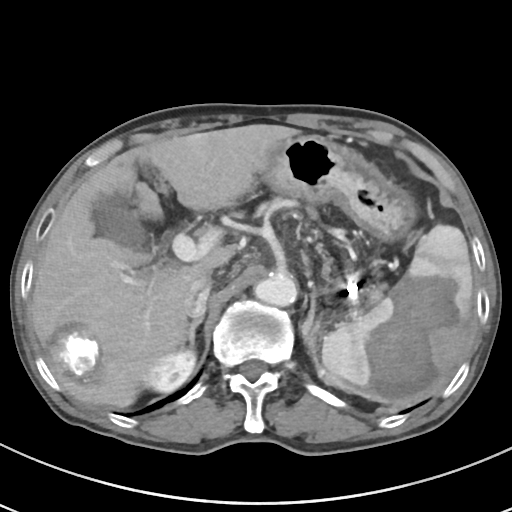

CT, abdomen/pelvis. axial view
Boxes: x1:y1:x2:y2 in pixels.
spleen: 321:224:474:405
right kidney: 143:348:195:392
gall bladder: 92:192:145:248
liver: 30:124:297:408
stomach: 264:135:416:241
aorta: 254:273:297:306
inferior vena cava: 184:272:211:317
pancreas: 259:198:314:215
right adrenal gland: 178:314:204:347
left adrenal gland: 302:291:316:340